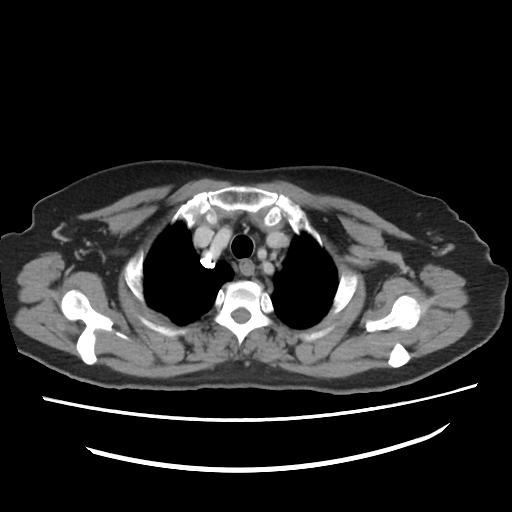 Abdominal CT reaching into the chest; this slice is in the chest. axial view. soft-tissue window (W 400 / L 40). 512x512 px. 61-year-old female patient. acquired on Aquilion ONE
On a slice this high in the chest, this dataset labels only the esophagus and the aorta, and each is boxed only where it is labeled; the heart, lungs and other chest structures are not labeled.
Boxes are (x1, y1, x2, y2) in pixels.
esophagus: (240, 261, 254, 276)